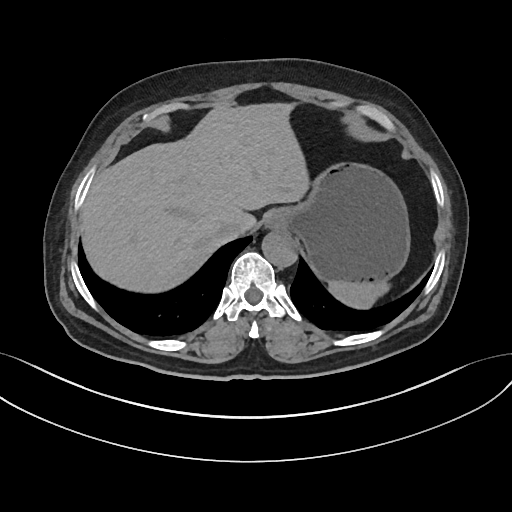

CT abdomen — axial view — soft-tissue window — 512x512 px
Boxes: x1:y1:x2:y2 in pixels.
spleen: 327:281:389:309
esophagus: 263:210:281:228
liver: 79:103:309:294
stomach: 278:163:410:282
aorta: 263:231:298:268
inferior vena cava: 217:221:244:240